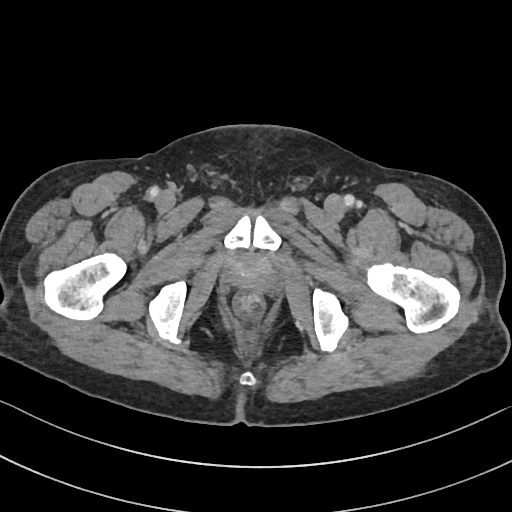 CT, abdomen/pelvis · axial plane, index 30 · soft-tissue window (W 400 / L 40) · scan has 14 labeled organs (that count is for the whole scan; organs this slice misses have no box)
Boxes: x1:y1:x2:y2 in pixels. Labeled organs on this slice: prostate/uterus at 225:252:278:292.